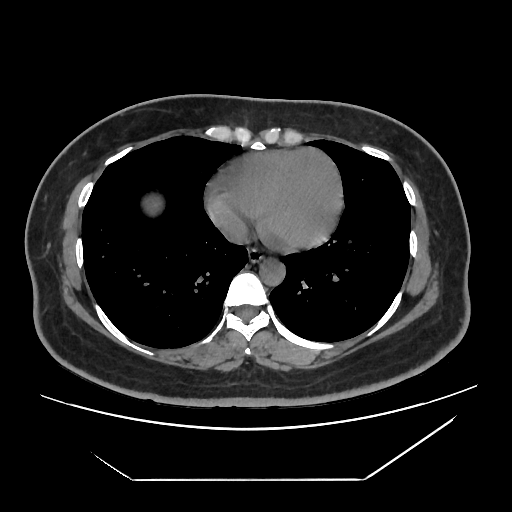

CT, abdomen/pelvis; axial plane, index 320
Each box given as x1,y1,x2,y2.
esophagus: x1=249, y1=248, x2=263, y2=261
aorta: x1=258, y1=257, x2=285, y2=284
liver: x1=147, y1=196, x2=161, y2=210
inferior vena cava: x1=223, y1=221, x2=249, y2=243